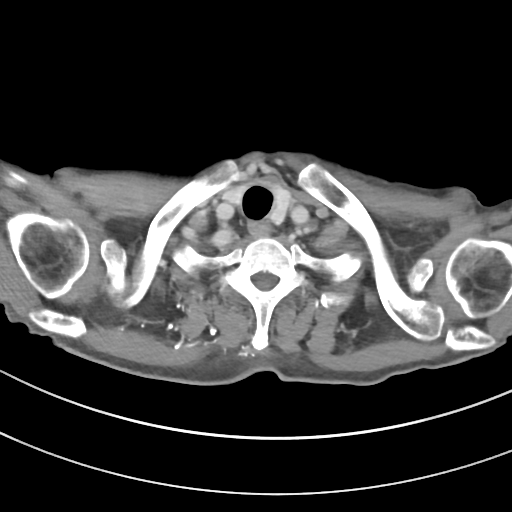 Abdominal CT reaching into the chest; this slice is in the chest — axial plane, index 117
At this level of the chest no structure but the esophagus and the aorta has a label in this dataset, and those two are boxed only where they are labeled. Boxes: x1:y1:x2:y2 in pixels. 1 labeled organ on this slice — esophagus at 249:222:270:237.